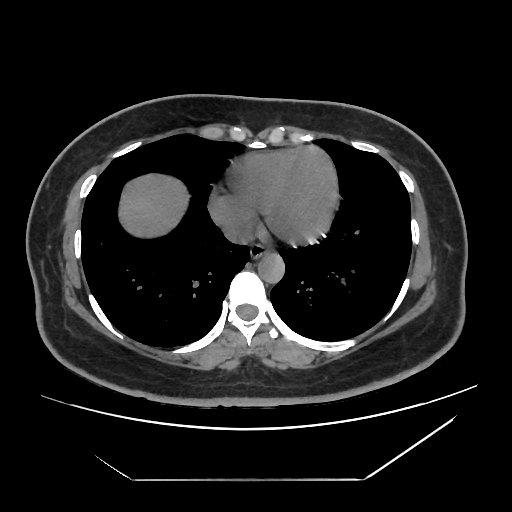 CT abdomen; Axial slice 316/345; 15 organs annotated in this scan (that count is for the whole scan; organs this slice misses have no box)
{"organs":{"aorta":[257,252,284,282],"esophagus":[250,243,270,258],"inferior vena cava":[223,222,252,244],"liver":[118,172,189,237]}}